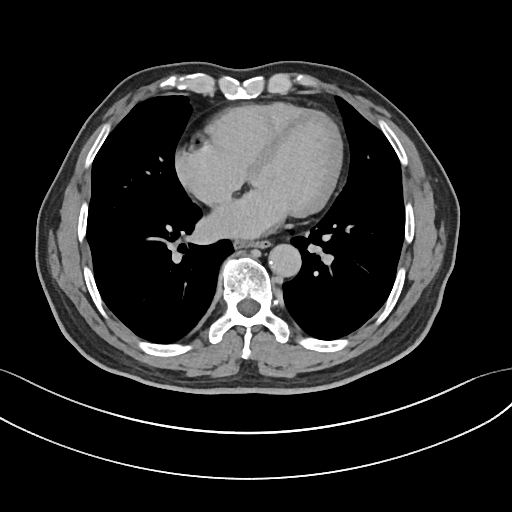 Lower-chest slice from an abdominal CT, just above the liver and spleen; Axial slice 224/224
The heart and lungs are never labeled in this dataset, so they have no box on this slice. Each box given as x1,y1,x2,y2. Labeled organs on this slice: esophagus at x1=235, y1=239, x2=273, y2=249, aorta at x1=268, y1=243, x2=300, y2=276.